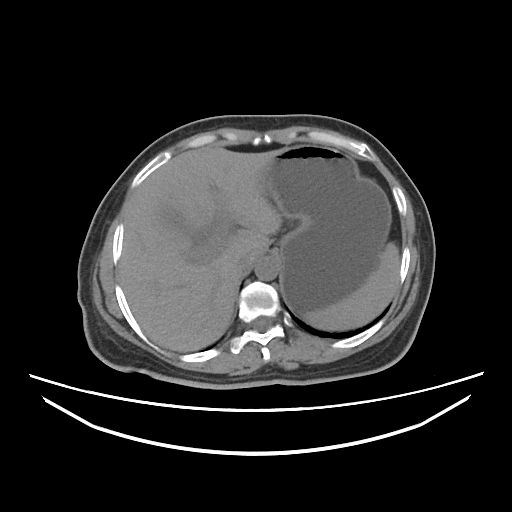

Computed tomography, abdomen; Axial slice 84/97; soft-tissue window
Boxes: x1:y1:x2:y2 in pixels. 5 labeled organs on this slice — spleen at 304:242:399:330; liver at 119:147:282:351; stomach at 264:145:391:314; aorta at 254:256:278:280; inferior vena cava at 239:249:260:269.